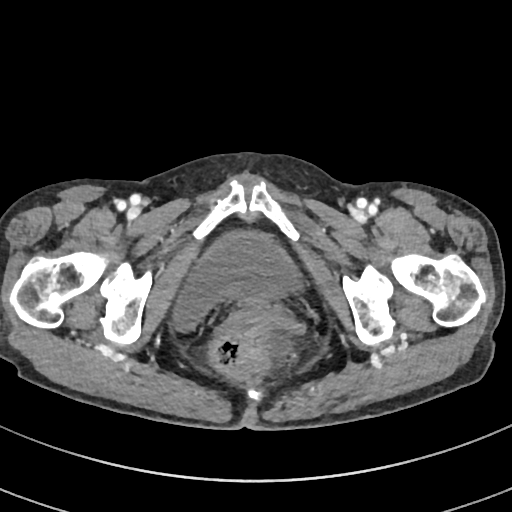 Computed tomography, abdomen · axial view · acquired on SOMATOM Force
{"organs":{"bladder":[170,231,302,330]}}